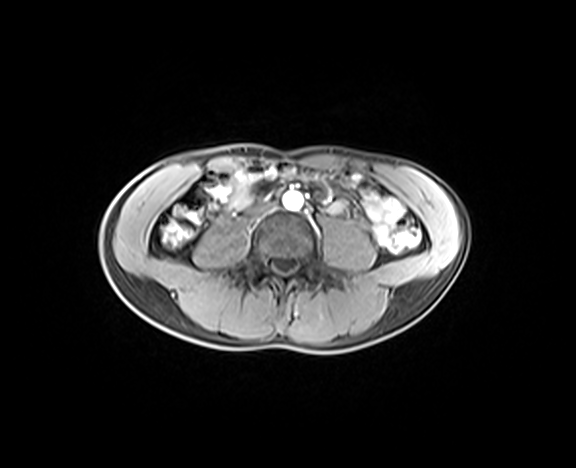

MRI, abdomen · axial plane, index 7 · 576x468 px · scan has 13 labeled organs (that count is for the whole scan; organs this slice misses have no box)
Each box given as x1,y1,x2,y2. 2 labeled organs on this slice — aorta at x1=283, y1=192, x2=303, y2=209; inferior vena cava at x1=249, y1=201, x2=277, y2=216.